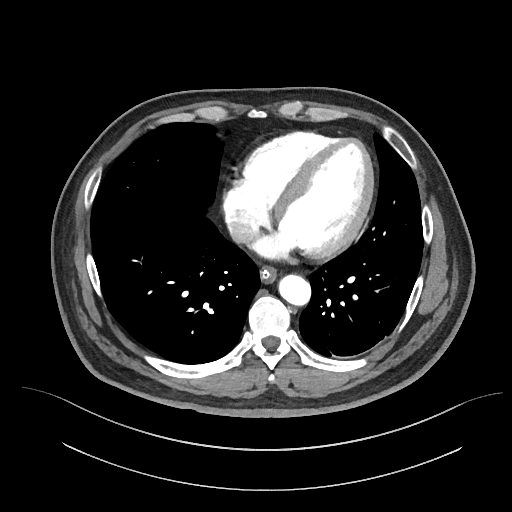

Abdominal CT; this slice is in the lower chest, just above the liver — axial view — 512x512 px
No part of the heart or lungs is labeled in this dataset, so neither has a box here.
{"organs":{"esophagus":[260,264,277,282],"aorta":[278,274,310,304],"inferior vena cava":[228,217,259,244]}}